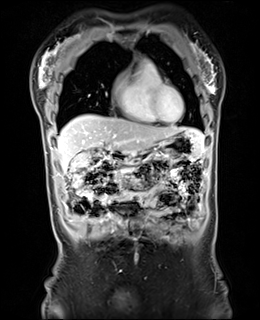 Abdominal MR; coronal view
Boxes are (x1, y1, x2, y2) in pixels. The annotated organs in this slice are: duodenum at (109, 151, 126, 162), gall bladder at (87, 150, 91, 150), liver at (57, 114, 203, 171), stomach at (120, 129, 203, 165).